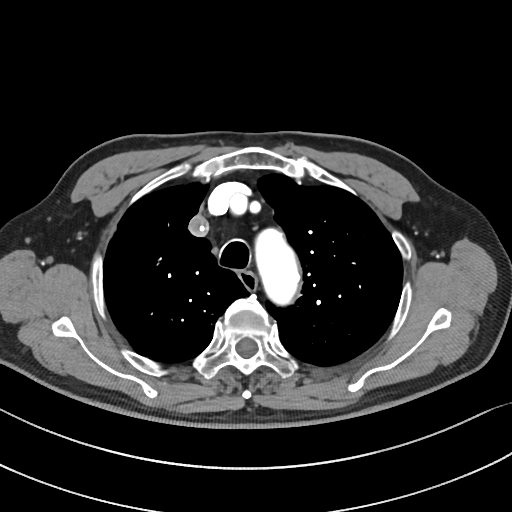
CT of the abdomen extending into the chest, slice through the chest — axial view — soft-tissue window (W 400 / L 40) — 512x512 px — SOMATOM Force scanner
At this level of the chest no structure but the esophagus and the aorta has a label in this dataset, and those two are boxed only where they are labeled.
Boxes: x1:y1:x2:y2 in pixels.
Organ bounding boxes:
- esophagus: 239:271:256:291
- aorta: 253:228:300:307